CT abdomen · axial view · soft-tissue window
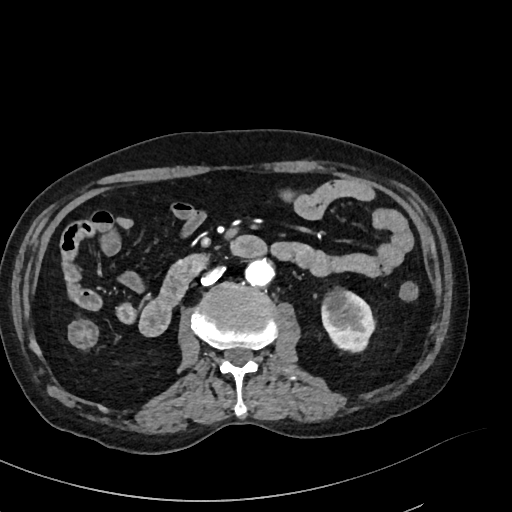 {"organs":{"left kidney":[322,290,374,351],"aorta":[244,261,271,287],"duodenum":[139,236,267,335],"inferior vena cava":[201,268,222,285]}}